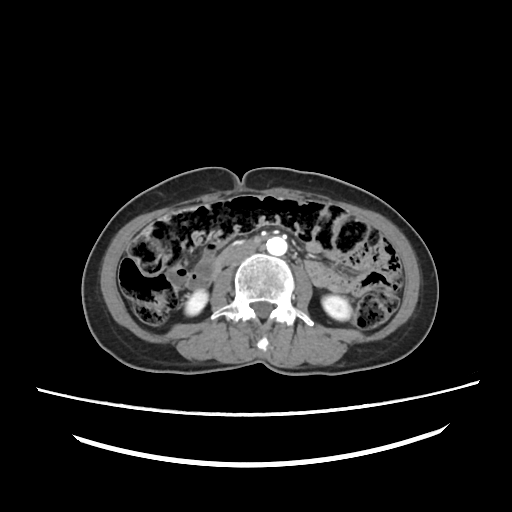 CT abdomen · axial plane, index 44 · W/L 400/40 HU · 58-year-old female patient
Box edges are left/top/right/bottom in pixels.
right kidney: left=186, top=290, right=206, bottom=316
left kidney: left=322, top=295, right=352, bottom=319
aorta: left=267, top=236, right=287, bottom=256
inferior vena cava: left=226, top=248, right=253, bottom=267
duodenum: left=209, top=241, right=259, bottom=276